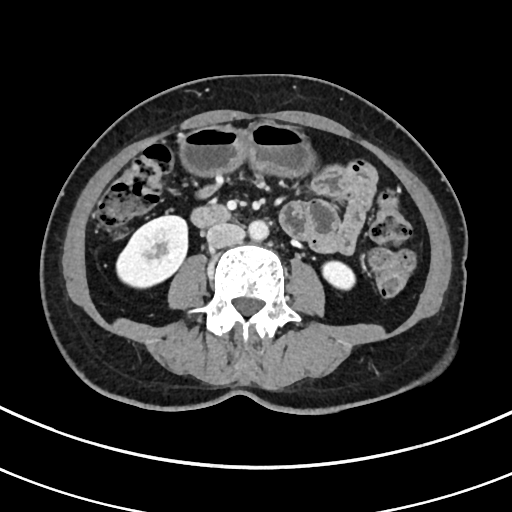 CT, abdomen/pelvis · axial plane, index 101 · abdomen soft-tissue window
Boxes: x1:y1:x2:y2 in pixels.
Organ bounding boxes:
- stomach: 182:123:313:175
- duodenum: 192:205:230:227
- left kidney: 322:262:354:290
- aorta: 248:220:268:241
- inferior vena cava: 207:222:245:247
- right kidney: 118:216:189:287